Lower-chest slice from an abdominal CT, just above the liver and spleen · axial view · soft-tissue window
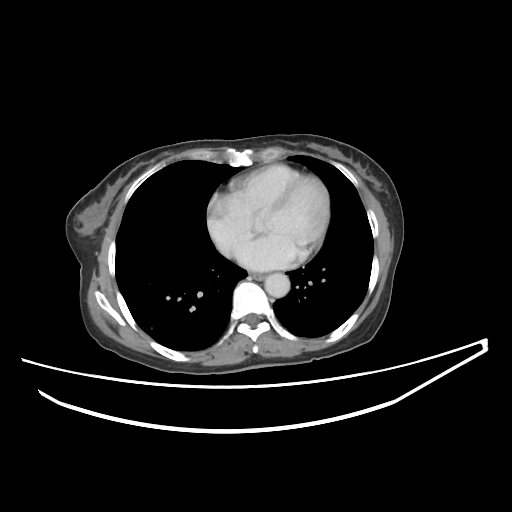
Of the structures in the chest, this dataset labels only the esophagus, the aorta and the inferior vena cava; the heart and lungs have no label.
{"organs":{"esophagus":[249,272,265,280],"aorta":[264,273,289,297]}}